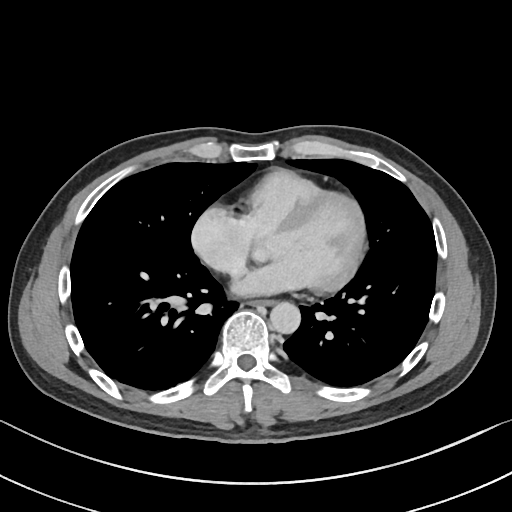 Abdominal CT; this slice is in the lower chest, just above the liver; Axial slice 204/291; soft-tissue window
Of the structures in the chest, this dataset labels only the esophagus, the aorta and the inferior vena cava; the heart and lungs have no label.
Bounding boxes in pixels, one row per box: x1, y1 is the top-left corner and x2, y2 the bottom-right.
| organ | x1 | y1 | x2 | y2 |
|---|---|---|---|---|
| esophagus | 252 | 300 | 274 | 306 |
| aorta | 270 | 302 | 300 | 334 |